Abdominal CT; axial view; 512x512 px; 15 organs annotated in this scan (that count is for the whole scan; organs this slice misses have no box)
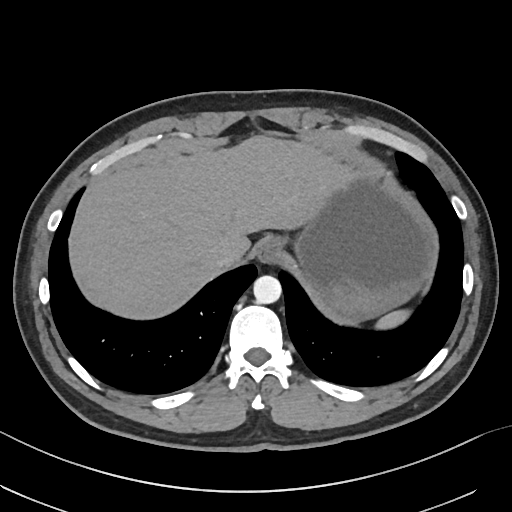 Boxes: x1 y1 x2 y2 (pixel coords, space-separated).
spleen: 376 309 409 328
liver: 75 134 349 318
esophagus: 257 237 283 265
inferior vena cava: 212 247 241 271
aorta: 253 275 281 303
stomach: 294 157 439 320